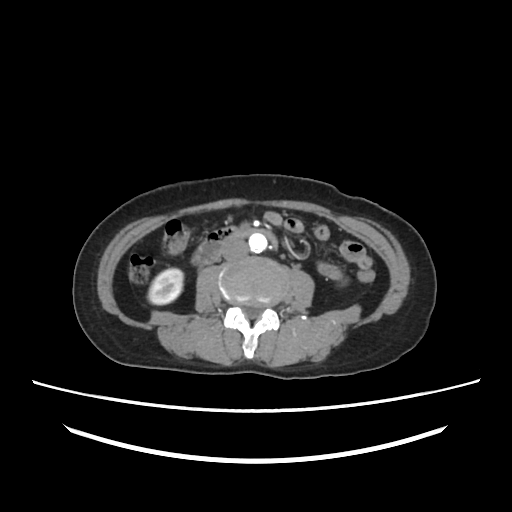 CT abdomen; axial view
Each box given as x1,y1,x2,y2. Labeled organs on this slice: right kidney at x1=148, y1=268, x2=183, y2=304, aorta at x1=249, y1=233, x2=267, y2=252, inferior vena cava at x1=222, y1=240, x2=248, y2=259, duodenum at x1=192, y1=227, x2=279, y2=266.